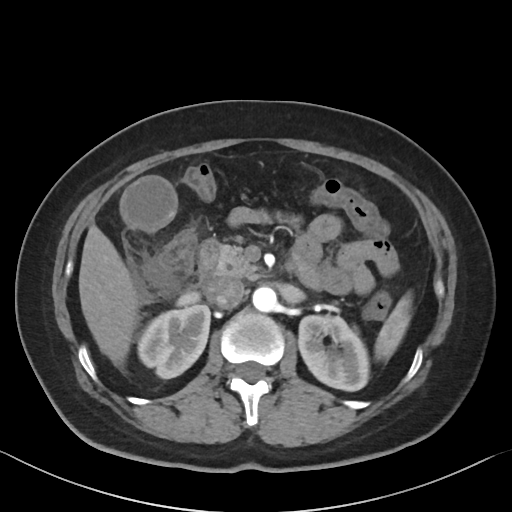 Computed tomography, abdomen — axial view — acquired on SOMATOM Force
Boxes: x1 y1 x2 y2 (pixel coords, space-separated).
Organ bounding boxes:
- spleen: 374 293 412 360
- right kidney: 137 305 210 378
- left kidney: 298 315 369 391
- gall bladder: 121 175 176 230
- liver: 79 224 140 365
- aorta: 252 286 277 312
- inferior vena cava: 205 277 244 308
- pancreas: 200 243 259 277
- duodenum: 195 239 218 286